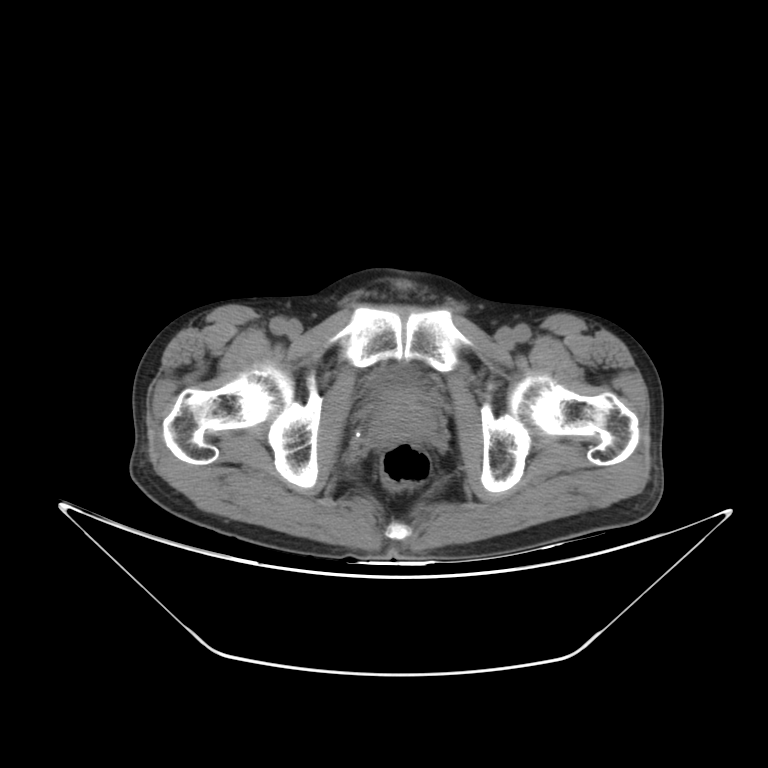

CT abdomen — axial plane, index 13 — soft-tissue window (W 400 / L 40) — 768x768 px — 52-year-old male patient — acquired on Brilliance16 — scan has 14 labeled organs (counted over the whole 3D scan, not this slice; an organ is boxed only where this slice passes through it)
Coordinates as <box>x1,y1,x2,y2</box> in pixels.
Organ bounding boxes:
- bladder: <box>375,372,411,394</box>
- prostate/uterus: <box>371,391,436,438</box>